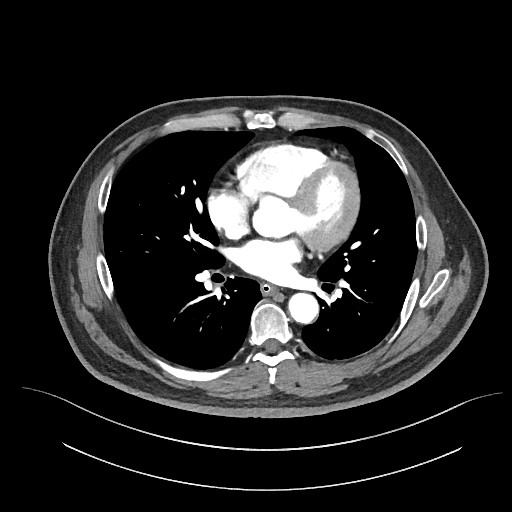 Lower-chest slice from an abdominal CT, just above the liver and spleen. axial view. soft-tissue window. scan has 15 labeled organs (counted over the whole 3D scan, not this slice; an organ is boxed only where this slice passes through it)
No part of the heart or lungs is labeled in this dataset, so neither has a box here.
One row per box, in pixels: columns x1 and y1 give the top-left corner, x2 and y2 the bottom-right.
| organ | x1 | y1 | x2 | y2 |
|---|---|---|---|---|
| esophagus | 261 | 284 | 277 | 295 |
| aorta | 289 | 293 | 318 | 324 |